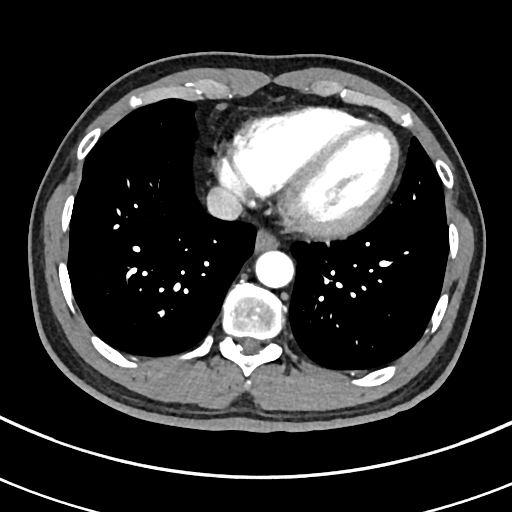 CT of the abdomen reaching into the lower chest, slice just above the liver and spleen; axial view; 15 organs annotated in this scan (that count is for the whole scan; organs this slice misses have no box)
No part of the heart or lungs is labeled in this dataset, so neither has a box here.
Each box given as x1,y1,x2,y2.
inferior vena cava: x1=206, y1=187, x2=242, y2=220
aorta: x1=255, y1=250, x2=294, y2=288
esophagus: x1=254, y1=228, x2=278, y2=251